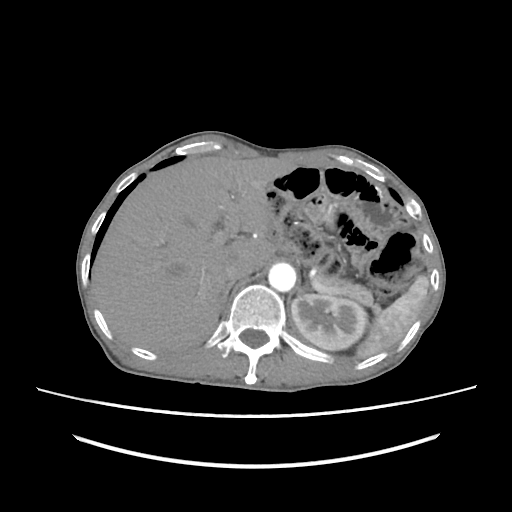

CT, abdomen/pelvis · Axial slice 70/126 · W/L 400/40 HU · 512x512 px
Coordinates as <box>x1,y1,x2,y2</box> in pixels.
left adrenal gland: <box>298,284,310,295</box>
liver: <box>91,155,296,351</box>
left kidney: <box>291,294,367,350</box>
aorta: <box>268,263,296,291</box>
right adrenal gland: <box>220,283,234,312</box>
pancreas: <box>317,274,374,306</box>
inferior vena cava: <box>224,256,254,282</box>
spleen: <box>356,275,428,358</box>